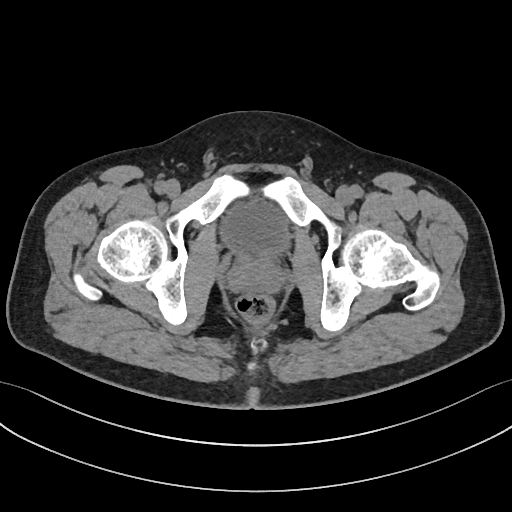 Abdominal CT — axial view — abdomen soft-tissue window
<organs><organ name="bladder" x1="221" y1="198" x2="288" y2="254"/><organ name="prostate/uterus" x1="228" y1="251" x2="282" y2="292"/></organs>